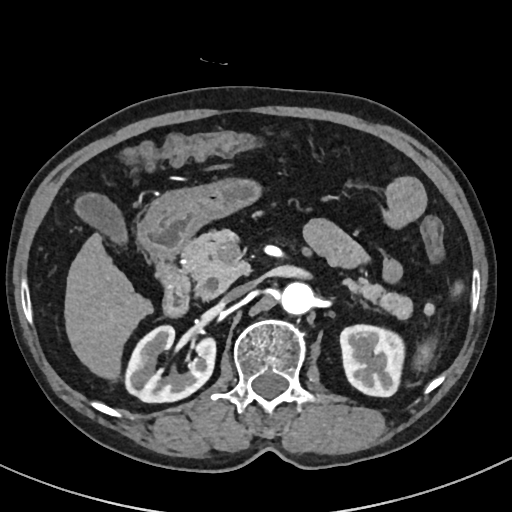
Abdominal CT; Axial slice 158/303; soft-tissue window; 512x512 px; acquired on SOMATOM Force
One row per box, in pixels: columns x1 and y1 give the top-left corner, x2 and y2 the bottom-right.
| organ | x1 | y1 | x2 | y2 |
|---|---|---|---|---|
| pancreas | 179 | 230 | 412 | 318 |
| inferior vena cava | 224 | 282 | 253 | 301 |
| stomach | 139 | 180 | 257 | 255 |
| duodenum | 154 | 254 | 220 | 317 |
| spleen | 414 | 281 | 461 | 364 |
| aorta | 281 | 281 | 313 | 313 |
| gall bladder | 75 | 195 | 128 | 241 |
| right kidney | 124 | 324 | 215 | 403 |
| left kidney | 340 | 324 | 403 | 396 |
| liver | 64 | 233 | 151 | 377 |